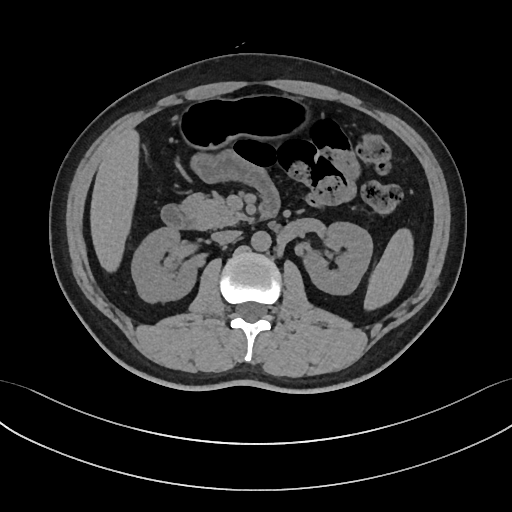 Abdominal CT — Axial slice 149/225 — 512x512 px — scan has 15 labeled organs (that count is for the whole scan; organs this slice misses have no box)
Boxes are (x1, y1, x2, y2) in pixels.
spleen: (364, 228, 413, 310)
right kidney: (131, 227, 197, 302)
left kidney: (303, 222, 372, 294)
liver: (90, 128, 139, 272)
stomach: (176, 95, 310, 149)
aorta: (251, 231, 270, 251)
inferior vena cava: (211, 230, 240, 244)
pancreas: (180, 193, 248, 229)
duodenum: (161, 191, 280, 228)